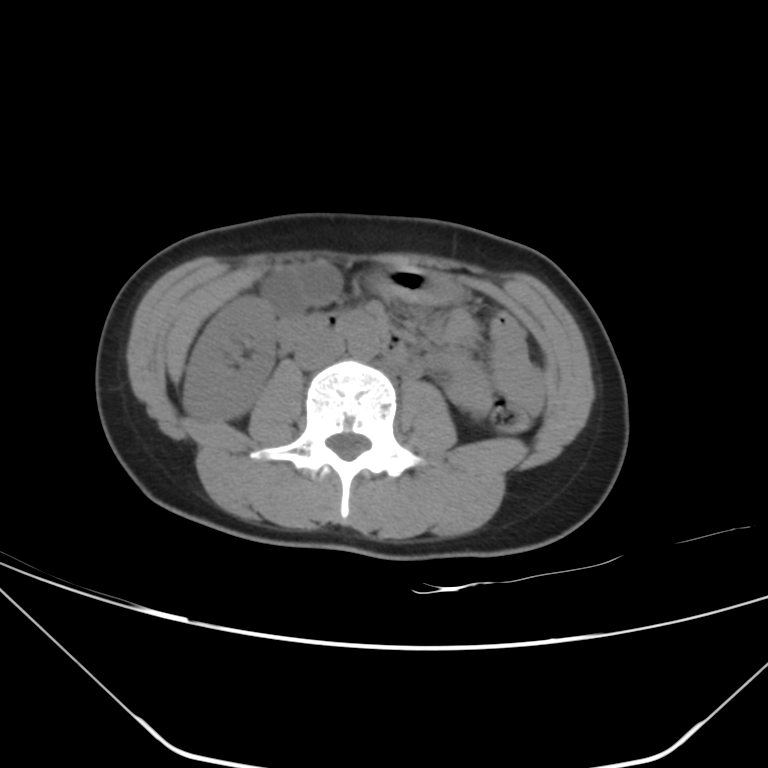

CT abdomen · axial view · 768x768 px
Bounding boxes as [x1, y1, x2, y2] in pixel coordinates.
Organ bounding boxes:
- right kidney: [183, 295, 277, 420]
- gall bladder: [262, 262, 338, 311]
- liver: [166, 274, 256, 380]
- stomach: [373, 268, 460, 303]
- aorta: [347, 328, 380, 358]
- inferior vena cava: [295, 333, 344, 368]
- duodenum: [280, 311, 423, 377]